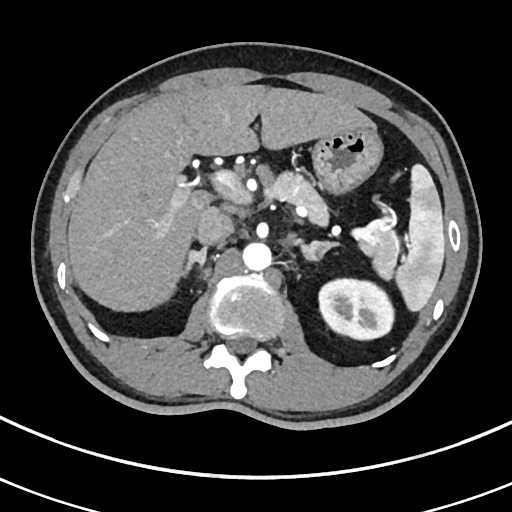
Computed tomography, abdomen. axial plane, index 150. 512x512 px. 15 organs annotated in this scan (counted over the whole 3D scan, not this slice; an organ is boxed only where this slice passes through it)
Each box given as x1,y1,x2,y2.
Organ bounding boxes:
- spleen: x1=395, y1=163, x2=445, y2=312
- left kidney: x1=318, y1=278, x2=394, y2=340
- liver: x1=67, y1=84, x2=376, y2=312
- stomach: x1=313, y1=129, x2=383, y2=191
- aorta: x1=243, y1=243, x2=272, y2=272
- inferior vena cava: x1=196, y1=206, x2=233, y2=245
- pancreas: x1=267, y1=172, x2=399, y2=279
- right adrenal gland: x1=183, y1=247, x2=209, y2=280
- left adrenal gland: x1=299, y1=240, x2=337, y2=261